CT abdomen; axial plane, index 69; soft-tissue window (W 400 / L 40)
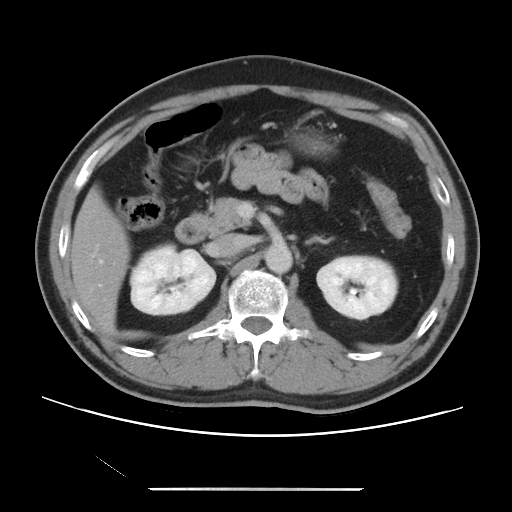
Box edges are left/top/right/bottom in pixels.
Organ bounding boxes:
- stomach: left=301, top=137, right=329, bottom=153
- left adrenal gland: left=305, top=236, right=330, bottom=244
- inferior vena cava: left=212, top=234, right=248, bottom=257
- left kidney: left=317, top=256, right=397, bottom=319
- right kidney: left=130, top=244, right=215, bottom=314
- liver: left=70, top=185, right=130, bottom=335
- pancreas: left=209, top=197, right=248, bottom=234
- duodenum: left=175, top=213, right=208, bottom=243
- aorta: left=264, top=244, right=292, bottom=273